Abdominal MRI — axial view
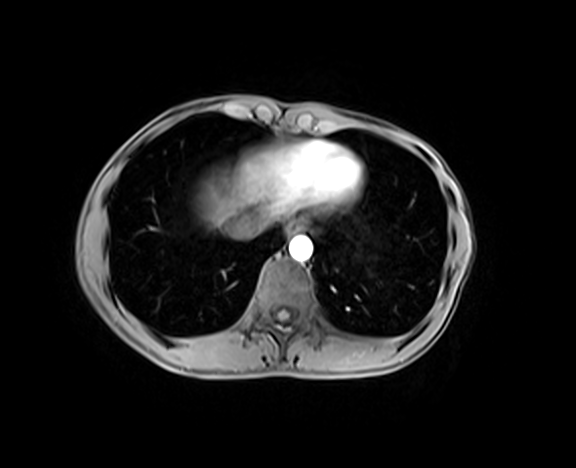
Boxes are (x1, y1, x2, y2) in pixels.
esophagus: (286, 219, 304, 234)
liver: (196, 173, 313, 227)
aorta: (289, 235, 312, 260)
inferior vena cava: (224, 216, 266, 239)